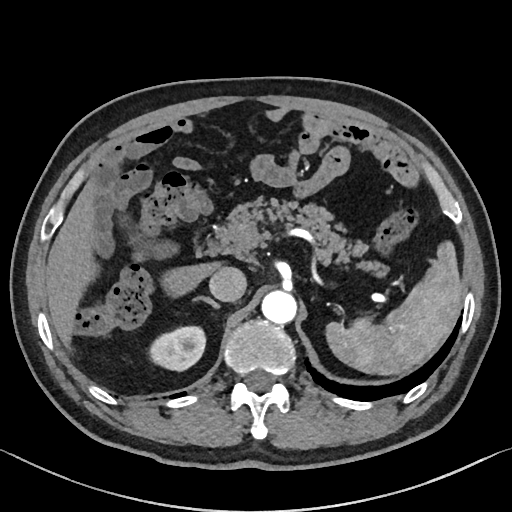
Abdominal CT. Axial slice 158/245. soft-tissue window. SOMATOM Force scanner
{"organs":{"spleen":[325,241,462,374],"right kidney":[151,327,204,371],"gall bladder":[127,235,179,260],"liver":[45,173,221,352],"aorta":[261,291,297,325],"inferior vena cava":[209,267,246,301],"pancreas":[210,200,364,262],"right adrenal gland":[192,297,220,309]}}